Computed tomography, abdomen · Axial slice 135/306 · soft-tissue window (W 400 / L 40) · 512x512 px · SOMATOM Force scanner · scan has 15 labeled organs (that count is for the whole scan; organs this slice misses have no box)
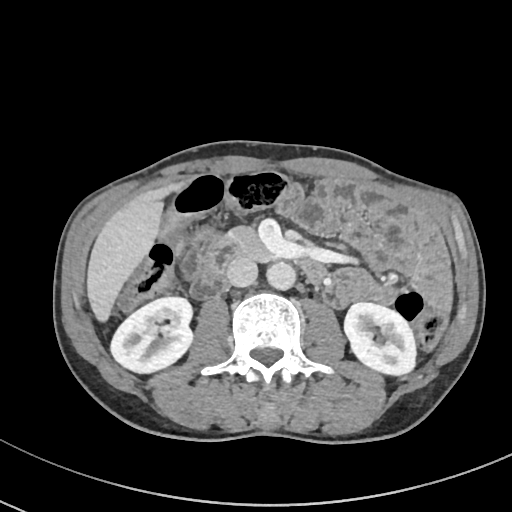 Boxes: x1:y1:x2:y2 in pixels. The annotated organs in this slice are: right kidney at 110:296:192:372, left kidney at 344:302:416:375, liver at 87:183:184:321, aorta at 266:261:296:290, inferior vena cava at 226:257:257:286, pancreas at 225:226:272:260, duodenum at 203:238:326:282.